CT abdomen — axial view — 40-year-old male patient
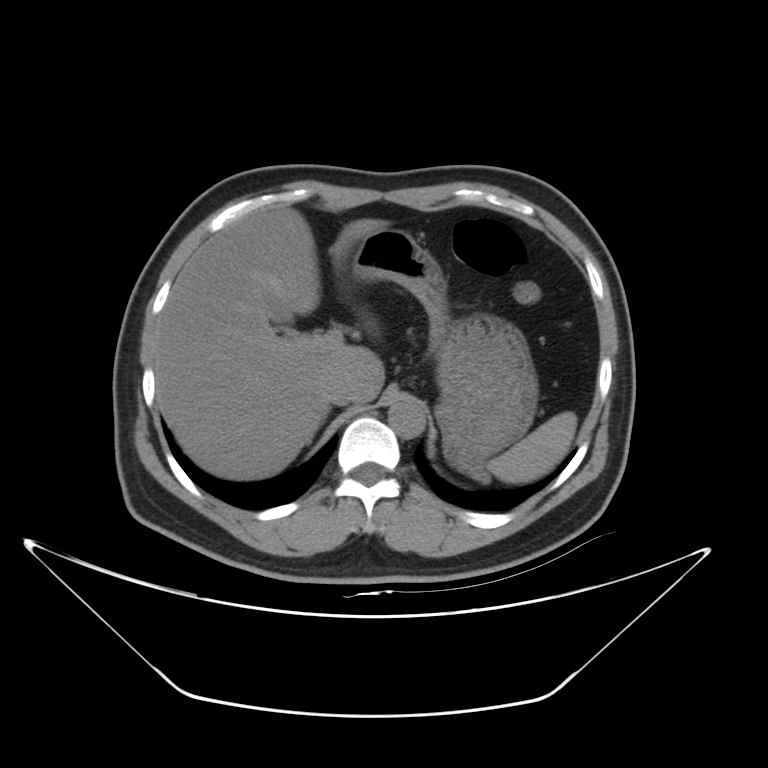 {"organs":{"stomach":[353,228,538,472],"liver":[155,205,389,480],"aorta":[388,401,424,438],"gall bladder":[274,312,292,322],"inferior vena cava":[322,374,355,405],"spleen":[487,411,576,484]}}